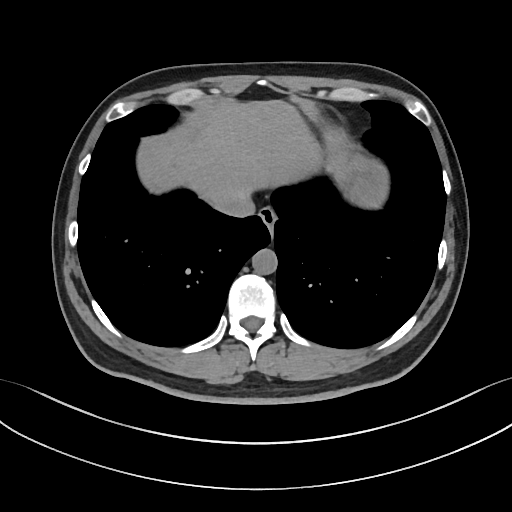

Computed tomography, abdomen — axial view — W/L 400/40 HU — 512x512 px
Boxes: x1:y1:x2:y2 in pixels.
esophagus: 259:206:276:228
liver: 151:100:322:204
stomach: 348:165:380:197
aorta: 252:248:277:274
inferior vena cava: 215:195:255:217